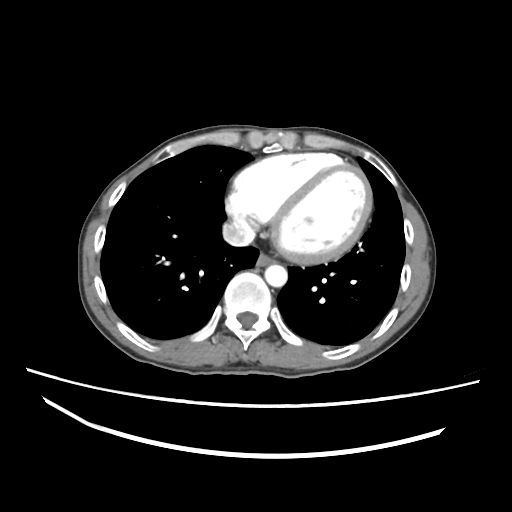

Lower-chest slice from an abdominal CT, just above the liver and spleen · axial view · soft-tissue window (W 400 / L 40)
No part of the heart or lungs is labeled in this dataset, so neither has a box here.
<organs><organ name="esophagus" x1="256" y1="252" x2="275" y2="265"/><organ name="aorta" x1="264" y1="264" x2="287" y2="287"/><organ name="inferior vena cava" x1="222" y1="220" x2="255" y2="246"/></organs>